CT abdomen; Axial slice 174/228; abdomen soft-tissue window; acquired on SOMATOM Force
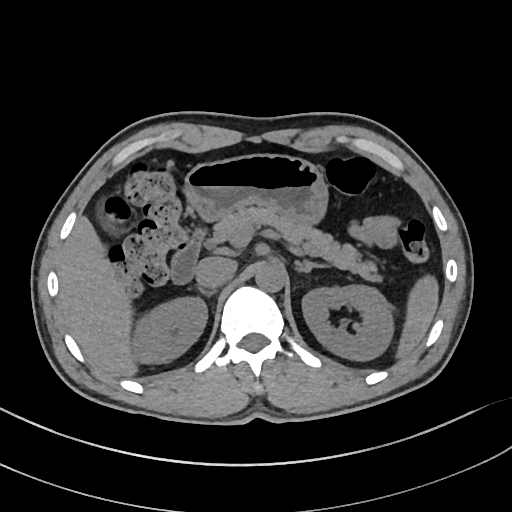

Coordinates as <box>x1,y1,x2,y2</box> in pixels. Labeled organs on this slice: spleen at <box>396,275,439,361</box>, right kidney at <box>134,298,207,363</box>, left kidney at <box>302,286,391,360</box>, liver at <box>59,214,138,377</box>, stomach at <box>183,154,328,225</box>, aorta at <box>255,263,285,293</box>, inferior vena cava at <box>195,257,235,289</box>, pancreas at <box>214,206,385,283</box>, right adrenal gland at <box>198,289,214,297</box>, left adrenal gland at <box>295,262,327,274</box>, duodenum at <box>172,226,207,283</box>.